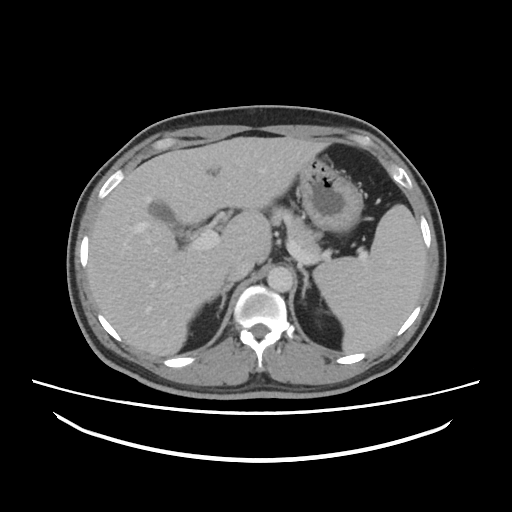

CT abdomen — axial plane, index 79 — abdomen soft-tissue window
{"organs":{"aorta":[267,266,293,292],"spleen":[313,204,425,351],"liver":[88,137,383,356],"left adrenal gland":[300,267,310,297],"inferior vena cava":[225,256,254,282],"pancreas":[273,208,320,261],"right adrenal gland":[208,283,233,314],"stomach":[299,159,363,232],"gall bladder":[149,201,184,237]}}